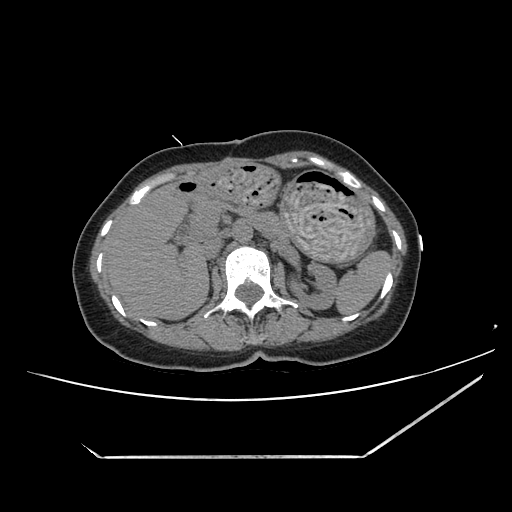

CT, abdomen/pelvis. Axial slice 103/143
Organ boxes in pixel coordinates; each row gives the top-left (x1, y1) and bottom-right (x2, y2) corners.
| organ | x1 | y1 | x2 | y2 |
|---|---|---|---|---|
| spleen | 335 | 250 | 390 | 314 |
| left kidney | 288 | 263 | 337 | 309 |
| liver | 105 | 183 | 208 | 320 |
| stomach | 178 | 162 | 373 | 260 |
| aorta | 232 | 220 | 252 | 242 |
| inferior vena cava | 201 | 236 | 222 | 258 |
| pancreas | 188 | 197 | 287 | 238 |